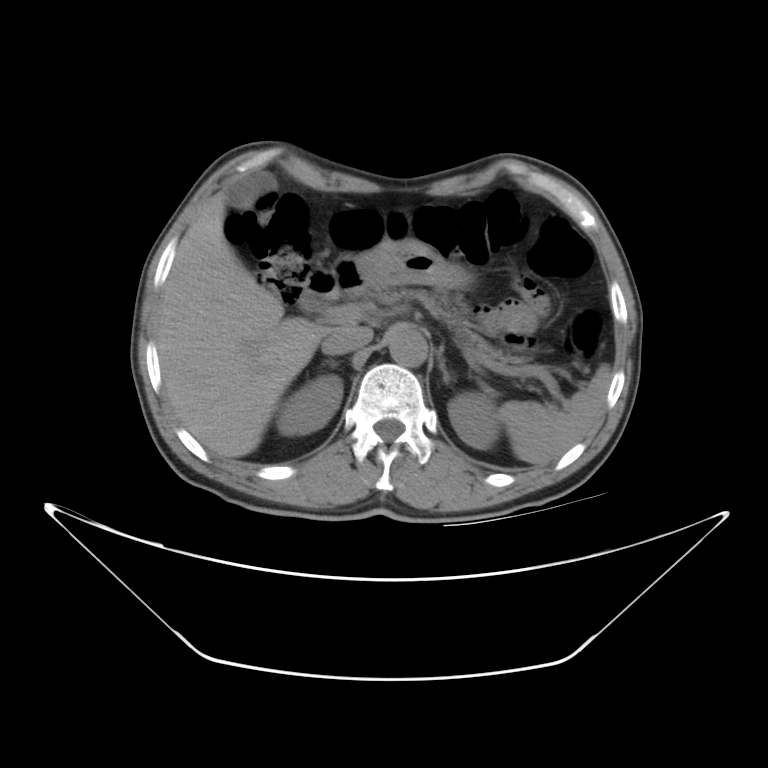
CT abdomen · axial view · soft-tissue window (W 400 / L 40) · 768x768 px · 59-year-old male patient
Coordinates as <box>x1,y1,x2,y2</box> in pixels.
Organ bounding boxes:
- spleen: <box>497,362,612,463</box>
- right kidney: <box>276,376,343,435</box>
- left kidney: <box>449,395,499,449</box>
- gall bladder: <box>223,173,275,209</box>
- liver: <box>157,193,353,458</box>
- stomach: <box>302,237,473,292</box>
- aorta: <box>388,323,427,367</box>
- inferior vena cava: <box>322,328,372,354</box>
- pancreas: <box>344,283,532,365</box>
- right adrenal gland: <box>318,360,338,372</box>
- left adrenal gland: <box>436,353,450,384</box>
- duodenum: <box>298,258,371,313</box>